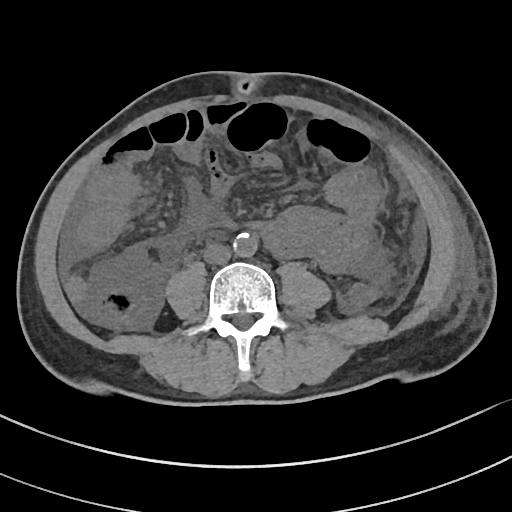 CT, abdomen/pelvis; Axial slice 93/206; scan has 15 labeled organs (counted over the whole 3D scan, not this slice; an organ is boxed only where this slice passes through it)
Bounding boxes in pixels, one row per box: x1, y1 is the top-left corner and x2, y2 the bottom-right.
| organ | x1 | y1 | x2 | y2 |
|---|---|---|---|---|
| aorta | 233 | 233 | 257 | 257 |
| inferior vena cava | 203 | 243 | 231 | 264 |